Computed tomography, abdomen; axial view; 512x512 px; SOMATOM Force scanner
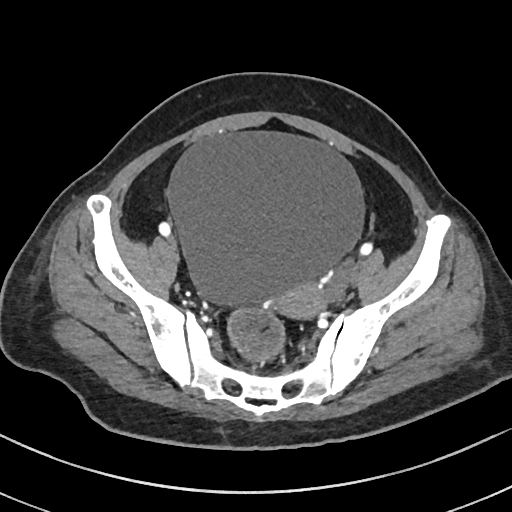
<organs><organ name="bladder" x1="167" y1="131" x2="364" y2="307"/><organ name="prostate/uterus" x1="276" y1="280" x2="324" y2="316"/></organs>